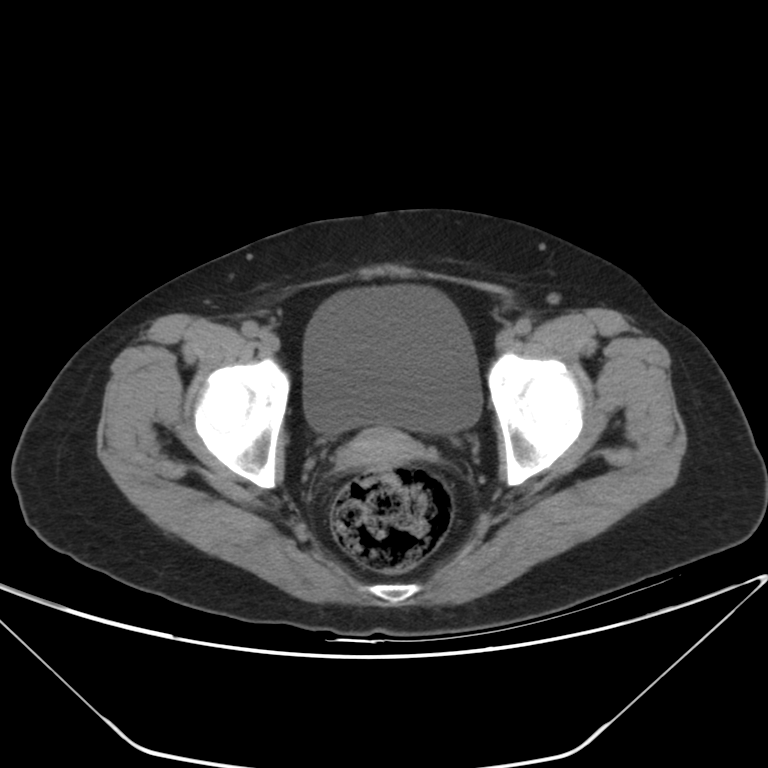 CT abdomen; axial view; 768x768 px
{"organs":{"bladder":[303,285,482,435],"prostate/uterus":[340,427,420,469]}}